Chest-level slice from an abdominal CT that extends up into the chest. Axial slice 92/124. soft-tissue window (W 400 / L 40)
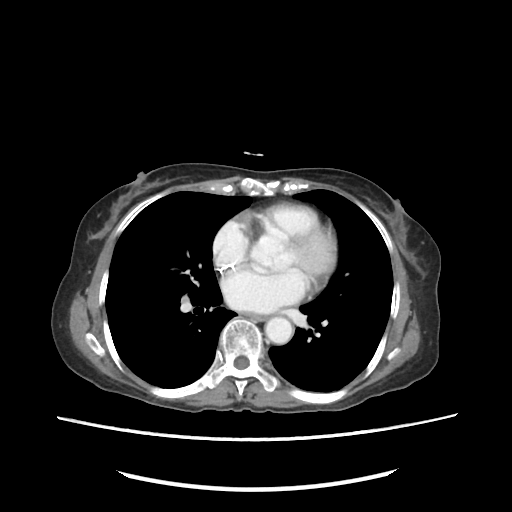

At this level of the chest this dataset labels only the esophagus and the aorta, and each is boxed only where it is labeled; the heart and lungs are never labeled.
<organs><organ name="esophagus" x1="247" y1="315" x2="265" y2="322"/><organ name="aorta" x1="264" y1="317" x2="292" y2="343"/></organs>